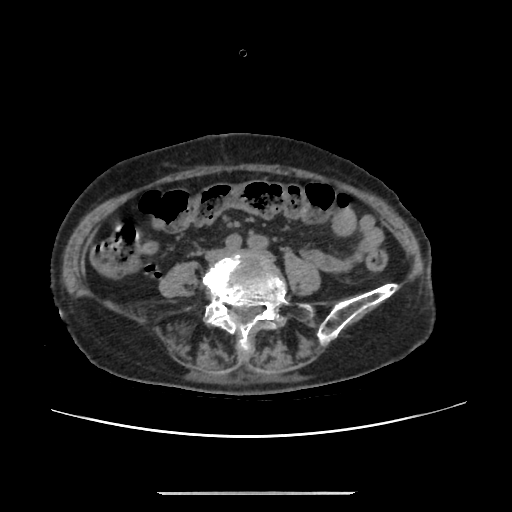

CT, abdomen/pelvis · axial view · W/L 400/40 HU
Each box given as x1,y1,x2,y2.
Organ bounding boxes:
- inferior vena cava: x1=207, y1=249, x2=225, y2=258